CT of the abdomen reaching into the lower chest, slice just above the liver and spleen — axial plane, index 98 — 512x512 px
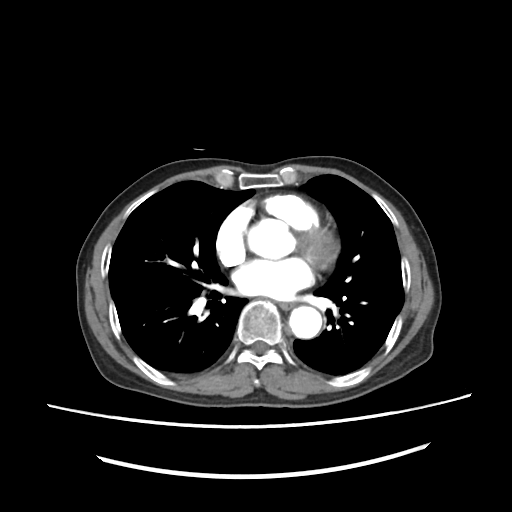
The heart and lungs are never labeled in this dataset, so they have no box on this slice. Boxes: x1:y1:x2:y2 in pixels. The annotated organs in this slice are: esophagus at 277:301:293:308, aorta at 289:307:321:337.